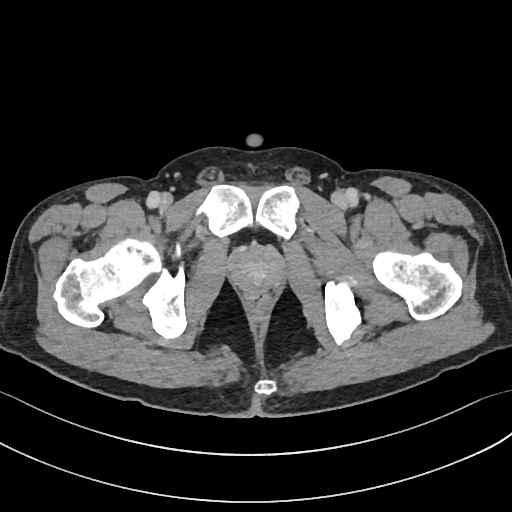
CT abdomen · axial plane, index 25 · W/L 400/40 HU · 512x512 px
Bounding boxes as [x1, y1, x2, y2] in pixel coordinates.
prostate/uterus: [231, 248, 282, 290]